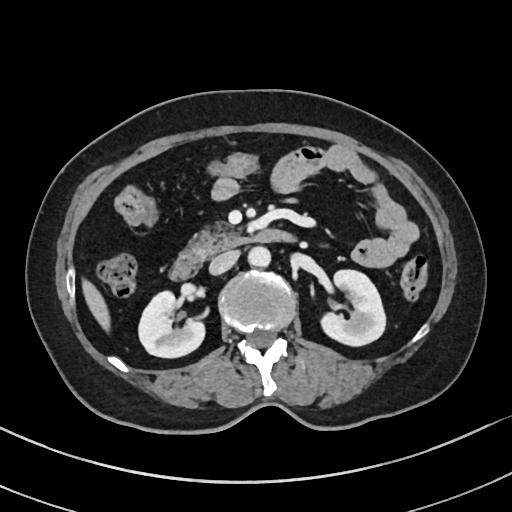

Computed tomography, abdomen · axial view
Bounding boxes as [x1, y1, x2, y2] in pixel coordinates.
right kidney: [137, 289, 204, 357]
left kidney: [321, 269, 386, 345]
liver: [84, 281, 109, 329]
aorta: [248, 246, 270, 267]
inferior vena cava: [210, 250, 239, 274]
pancreas: [189, 228, 243, 257]
duodenum: [171, 229, 290, 278]